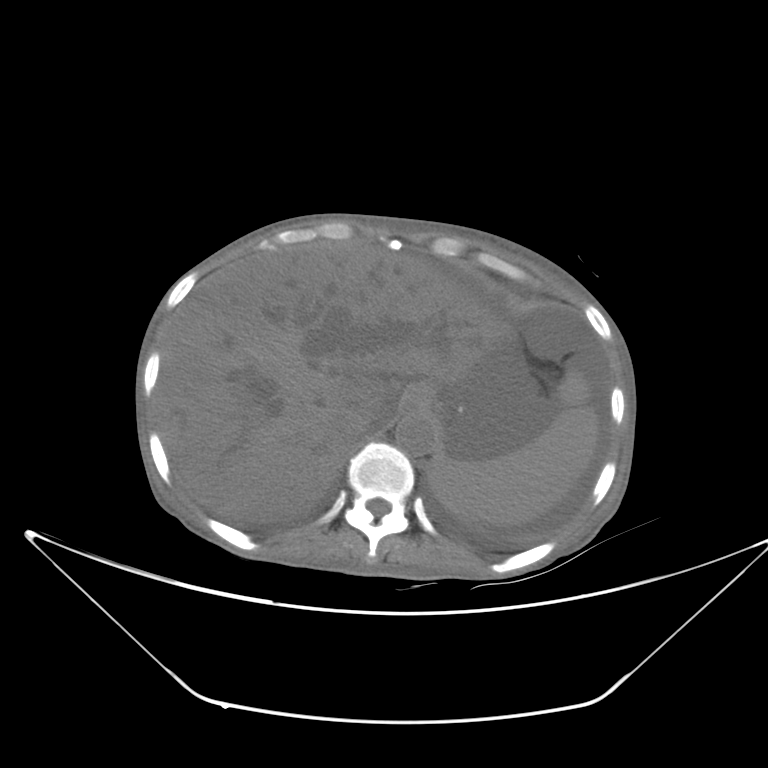
CT, abdomen/pelvis — axial plane, index 87 — abdomen soft-tissue window — 768x768 px
One row per box, in pixels: columns x1 and y1 give the top-left corner, x2 and y2 the bottom-right.
| organ | x1 | y1 | x2 | y2 |
|---|---|---|---|---|
| spleen | 428 | 367 | 599 | 525 |
| esophagus | 396 | 386 | 434 | 408 |
| liver | 156 | 246 | 510 | 522 |
| aorta | 395 | 411 | 437 | 456 |
| inferior vena cava | 332 | 405 | 384 | 445 |